CT, abdomen/pelvis — axial view — W/L 400/40 HU — 512x512 px
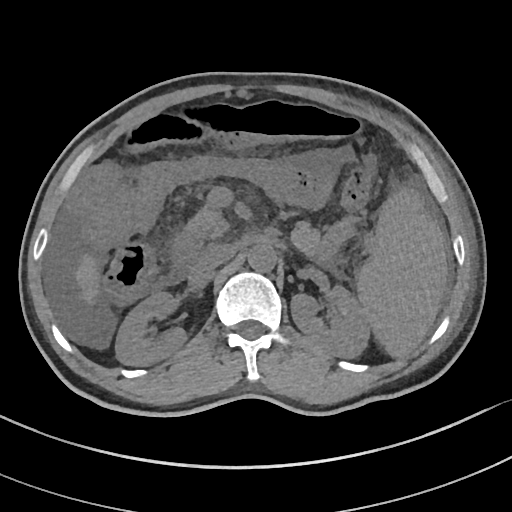 <organs><organ name="spleen" x1="356" y1="189" x2="447" y2="357"/><organ name="right kidney" x1="115" y1="291" x2="187" y2="366"/><organ name="left kidney" x1="290" y1="285" x2="370" y2="358"/><organ name="liver" x1="75" y1="254" x2="99" y2="303"/><organ name="aorta" x1="248" y1="243" x2="277" y2="272"/><organ name="inferior vena cava" x1="196" y1="244" x2="236" y2="271"/><organ name="pancreas" x1="182" y1="206" x2="331" y2="257"/><organ name="duodenum" x1="170" y1="231" x2="202" y2="266"/></organs>